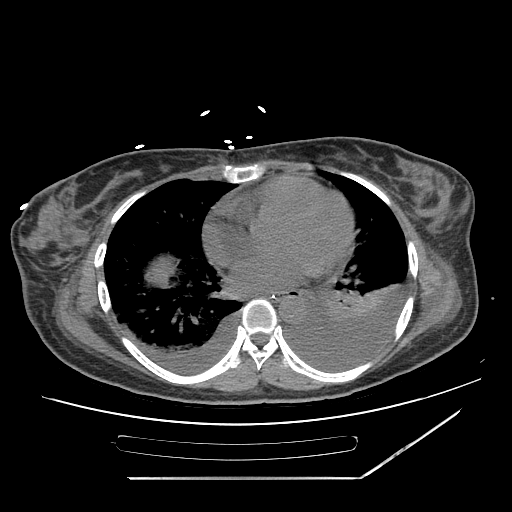
CT abdomen; axial plane, index 183; scan has 15 labeled organs (that count is for the whole scan; organs this slice misses have no box)
{"organs":{"esophagus":[263,289,300,299],"stomach":[279,295,300,300],"aorta":[279,296,305,323]}}